CT, abdomen/pelvis. Axial slice 72/92. 512x512 px
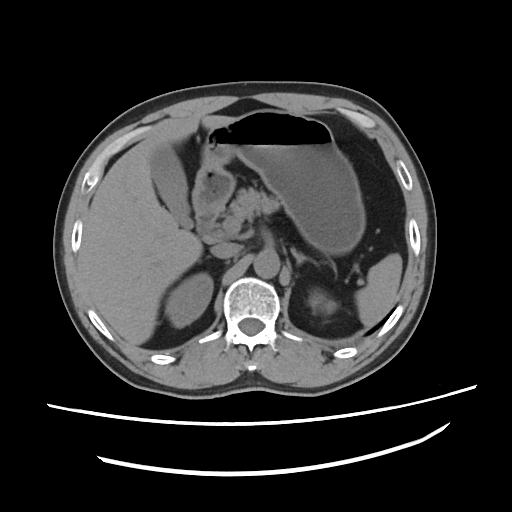

Organ boxes in pixel coordinates; each row gives the top-left (x1, y1) and bottom-right (x2, y2) corners.
| organ | x1 | y1 | x2 | y2 |
|---|---|---|---|---|
| spleen | 354 | 254 | 401 | 327 |
| right kidney | 165 | 275 | 213 | 327 |
| left kidney | 308 | 295 | 336 | 314 |
| gall bladder | 151 | 143 | 194 | 229 |
| liver | 78 | 113 | 234 | 346 |
| stomach | 191 | 110 | 364 | 253 |
| aorta | 253 | 248 | 281 | 277 |
| inferior vena cava | 211 | 242 | 242 | 258 |
| pancreas | 227 | 188 | 277 | 222 |
| left adrenal gland | 291 | 248 | 321 | 269 |
| duodenum | 195 | 205 | 215 | 236 |